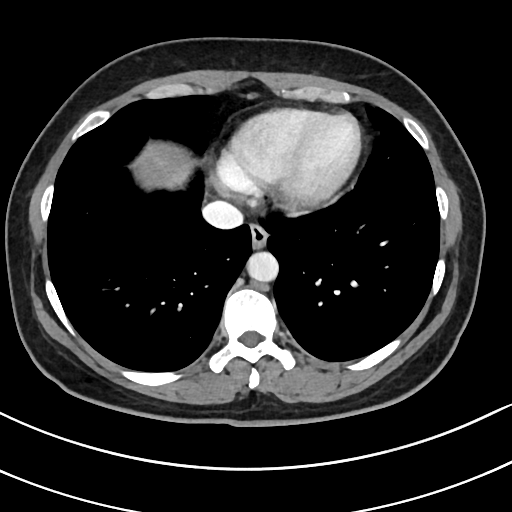 Lower-chest slice from an abdominal CT, just above the liver and spleen — Axial slice 197/206 — soft-tissue window (W 400 / L 40) — 15 organs annotated in this scan (counted over the whole 3D scan, not this slice; an organ is boxed only where this slice passes through it)
Of the structures in the chest, this dataset labels only the esophagus, the aorta and the inferior vena cava; the heart and lungs have no label.
{"organs":{"aorta":[247,251,279,282],"esophagus":[250,226,268,249],"inferior vena cava":[203,201,243,229]}}